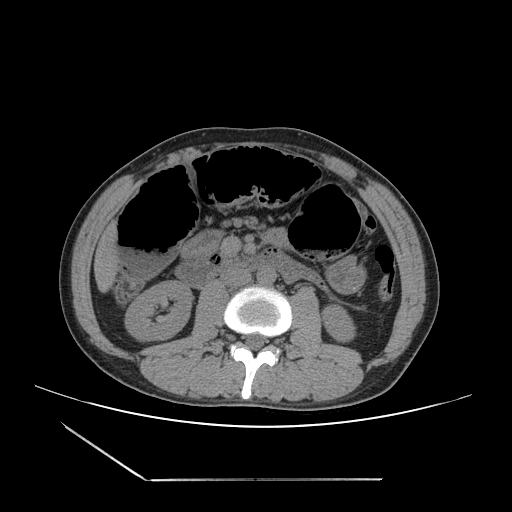

CT abdomen. axial view. 512x512 px
Bounding boxes in pixels, one row per box: x1, y1 is the top-left corner and x2, y2 the bottom-right.
| organ | x1 | y1 | x2 | y2 |
|---|---|---|---|---|
| liver | 94 | 220 | 119 | 292 |
| duodenum | 175 | 248 | 321 | 287 |
| right kidney | 125 | 280 | 192 | 340 |
| left kidney | 322 | 305 | 355 | 342 |
| stomach | 326 | 256 | 365 | 292 |
| aorta | 257 | 265 | 276 | 285 |
| inferior vena cava | 220 | 268 | 251 | 287 |